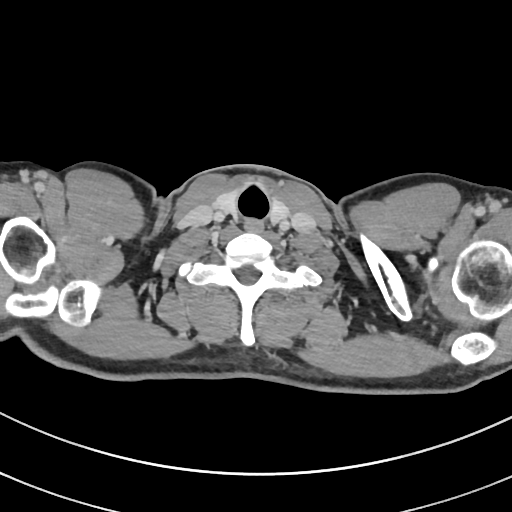

Chest-level CT slice, above the liver and spleen; axial view; acquired on SOMATOM Force; scan has 15 labeled organs (a whole-scan count: organs this slice does not pass through have no box)
On a slice this high in the chest, this dataset labels only the esophagus and the aorta, and each is boxed only where it is labeled; the heart, lungs and other chest structures are not labeled.
Boxes: x1 y1 x2 y2 (pixel coords, space-separated).
esophagus: 243 219 261 233